CT abdomen — Axial slice 71/74 — W/L 400/40 HU — 768x768 px — 39-year-old male patient — acquired on Aquilion ONE — scan has 15 labeled organs (that count is for the whole scan; organs this slice misses have no box)
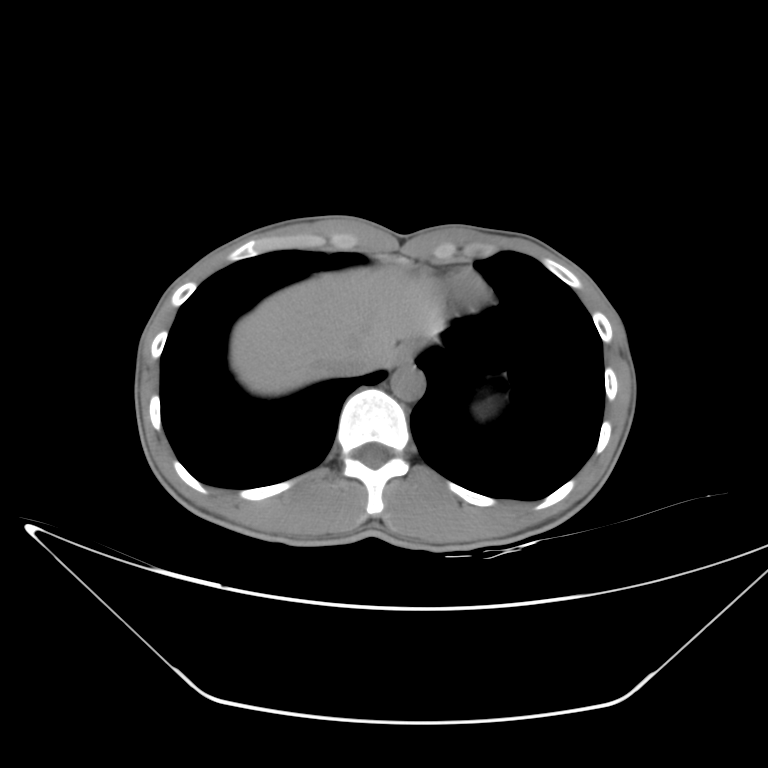
Organ boxes in pixel coordinates; each row gives the top-left (x1, y1) and bottom-right (x2, y2) corners.
| organ | x1 | y1 | x2 | y2 |
|---|---|---|---|---|
| esophagus | 394 | 344 | 414 | 367 |
| inferior vena cava | 328 | 357 | 377 | 376 |
| liver | 230 | 265 | 442 | 395 |
| aorta | 391 | 365 | 424 | 401 |